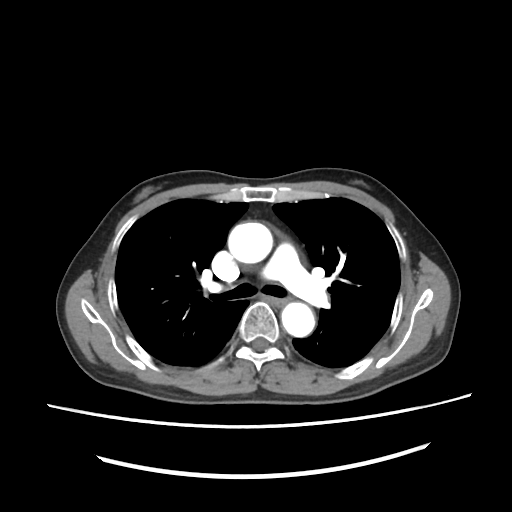

Chest-level CT slice, above the liver and spleen · Axial slice 109/132 · soft-tissue window · 67-year-old male patient · acquired on Aquilion ONE
At this level of the chest no structure but the esophagus and the aorta has a label in this dataset, and those two are boxed only where they are labeled. Box edges are left/top/right/bottom in pixels. The annotated organs in this slice are: esophagus at left=270, top=298, right=285, bottom=307, aorta at left=228, top=222, right=271, bottom=267, aorta at left=280, top=303, right=315, bottom=337.